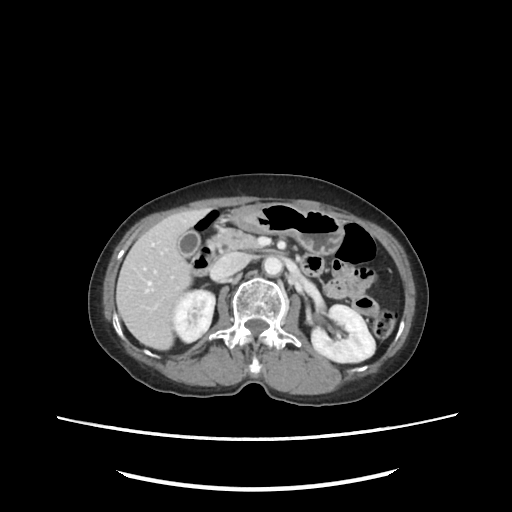

Abdominal CT; axial plane, index 60; scan has 15 labeled organs (that count is for the whole scan; organs this slice misses have no box)
{"organs":{"right kidney":[172,290,215,343],"left kidney":[310,305,374,362],"gall bladder":[177,230,229,256],"liver":[117,209,204,350],"stomach":[220,205,343,254],"aorta":[262,255,282,276],"inferior vena cava":[211,252,248,279],"pancreas":[208,229,260,251],"duodenum":[188,245,324,277]}}